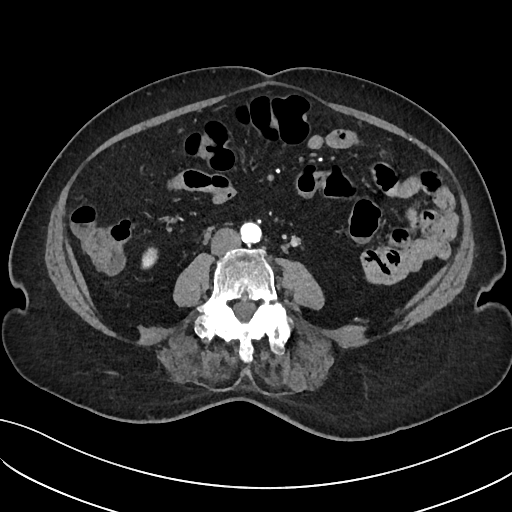

CT, abdomen/pelvis. axial view. 512x512 px
<organs><organ name="right kidney" x1="142" y1="246" x2="155" y2="268"/><organ name="aorta" x1="239" y1="221" x2="260" y2="242"/><organ name="inferior vena cava" x1="210" y1="227" x2="239" y2="255"/></organs>